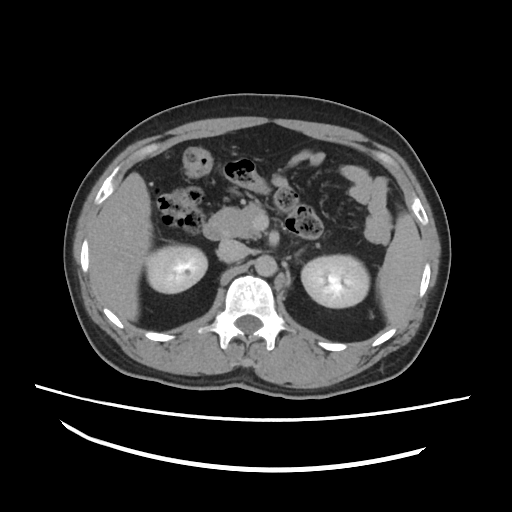
CT abdomen — axial view — 44-year-old male patient
<organs><organ name="spleen" x1="375" y1="213" x2="426" y2="329"/><organ name="right kidney" x1="145" y1="244" x2="208" y2="293"/><organ name="left kidney" x1="301" y1="254" x2="369" y2="306"/><organ name="liver" x1="90" y1="171" x2="152" y2="320"/><organ name="aorta" x1="255" y1="255" x2="277" y2="276"/><organ name="inferior vena cava" x1="216" y1="238" x2="250" y2="262"/><organ name="pancreas" x1="209" y1="202" x2="265" y2="239"/><organ name="left adrenal gland" x1="295" y1="250" x2="302" y2="254"/><organ name="duodenum" x1="202" y1="225" x2="221" y2="240"/></organs>